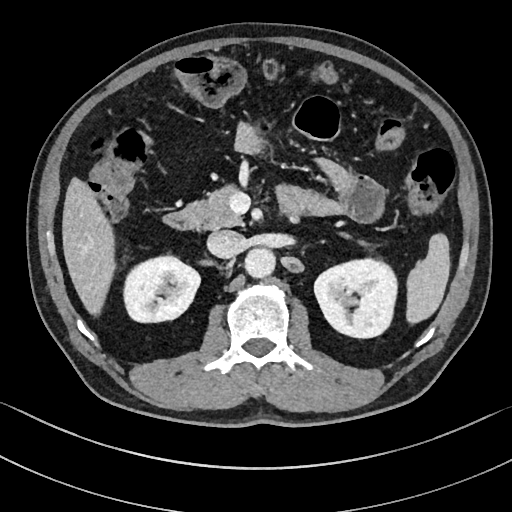

Abdominal CT — axial plane, index 152 — W/L 400/40 HU — 512x512 px — acquired on SOMATOM Force
Coordinates as <box>x1,y1,x2,y2</box> in pixels.
left kidney: <box>313,260,396,337</box>
liver: <box>62,176,116,315</box>
pancreas: <box>185,183,373,248</box>
inferior vena cava: <box>208,230,246,258</box>
duodenum: <box>163,210,199,230</box>
aorta: <box>244,248,275,279</box>
spleen: <box>407,235,450,323</box>
right kidney: <box>124,257,199,322</box>